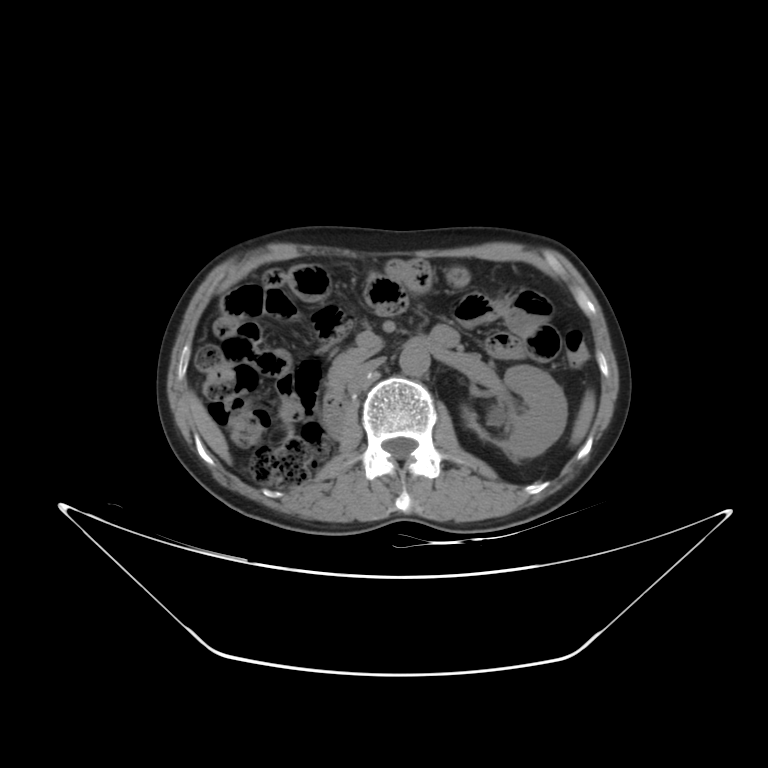

CT abdomen · axial plane, index 65 · 768x768 px
Boxes are (x1, y1, x2, y2) in pixels.
Organ bounding boxes:
- aorta: (399, 343, 430, 376)
- inferior vena cava: (346, 357, 384, 392)
- duodenum: (323, 327, 458, 432)
- left kidney: (464, 365, 567, 459)
- spleen: (571, 390, 595, 444)
- liver: (188, 392, 231, 462)
- pancreas: (328, 348, 371, 389)